Abdominal CT; Axial slice 256/345; 512x512 px; 15 organs annotated in this scan (that count is for the whole scan; organs this slice misses have no box)
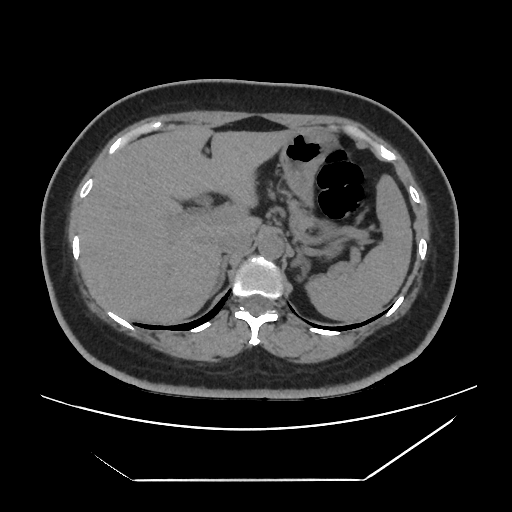
Boxes: x1 y1 x2 y2 (pixel coords, space-separated). The annotated organs in this slice are: spleen at 308 175 412 322, liver at 79 125 295 324, stomach at 279 128 334 200, aorta at 258 232 284 258, inferior vena cava at 217 231 251 253, pancreas at 289 198 317 236, right adrenal gland at 212 256 228 294, left adrenal gland at 291 246 306 265.